Computed tomography, abdomen. axial view. 512x512 px
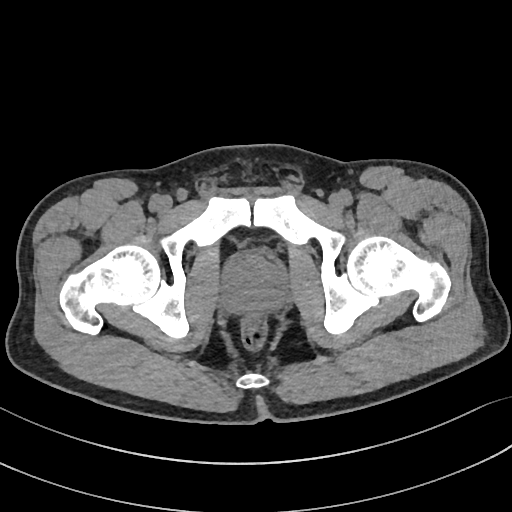
{"organs":{"prostate/uterus":[219,256,285,311]}}